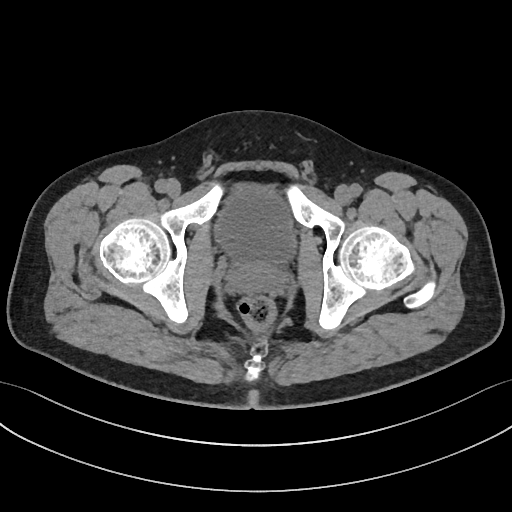 Abdominal CT — axial plane, index 26 — 512x512 px
<organs><organ name="bladder" x1="216" y1="183" x2="295" y2="263"/><organ name="prostate/uterus" x1="230" y1="261" x2="280" y2="288"/></organs>